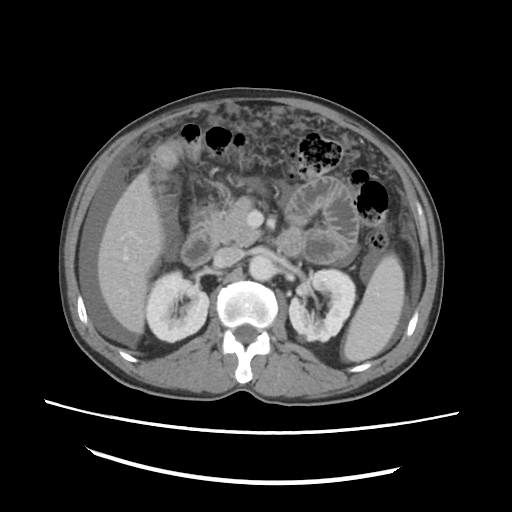
CT abdomen. axial view. 61-year-old male patient
{"organs":{"spleen":[343,254,404,361],"right kidney":[146,271,209,342],"left kidney":[289,269,355,341],"liver":[97,169,164,334],"aorta":[249,255,274,280],"inferior vena cava":[214,247,242,267],"pancreas":[207,197,260,245],"duodenum":[181,202,216,266]}}